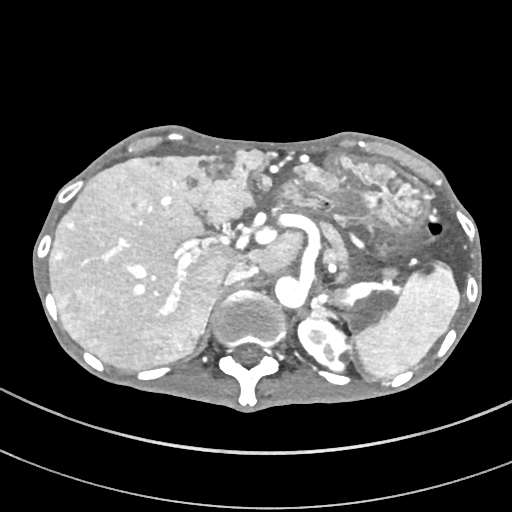 Computed tomography, abdomen. axial view. W/L 400/40 HU
{"organs":{"spleen":[354,263,460,377],"left kidney":[298,318,350,372],"liver":[49,150,336,369],"stomach":[278,153,430,235],"aorta":[274,276,308,308],"inferior vena cava":[225,263,257,284],"pancreas":[319,222,348,280],"right adrenal gland":[200,296,217,333],"left adrenal gland":[310,303,340,321]}}